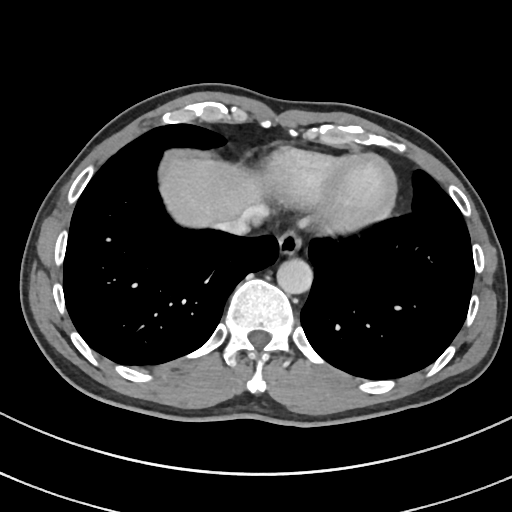
CT, abdomen/pelvis — axial plane, index 172 — W/L 400/40 HU — 512x512 px — 15 organs annotated in this scan (counted over the whole 3D scan, not this slice; an organ is boxed only where this slice passes through it)
Each box given as x1,y1,x2,y2. The annotated organs in this slice are: esophagus at x1=278, y1=228, x2=302, y2=254, inferior vena cava at x1=218, y1=218, x2=249, y2=235, aorta at x1=276, y1=258, x2=312, y2=293, liver at x1=162, y1=159, x2=269, y2=228.